Computed tomography, abdomen · axial view · 39-year-old female patient
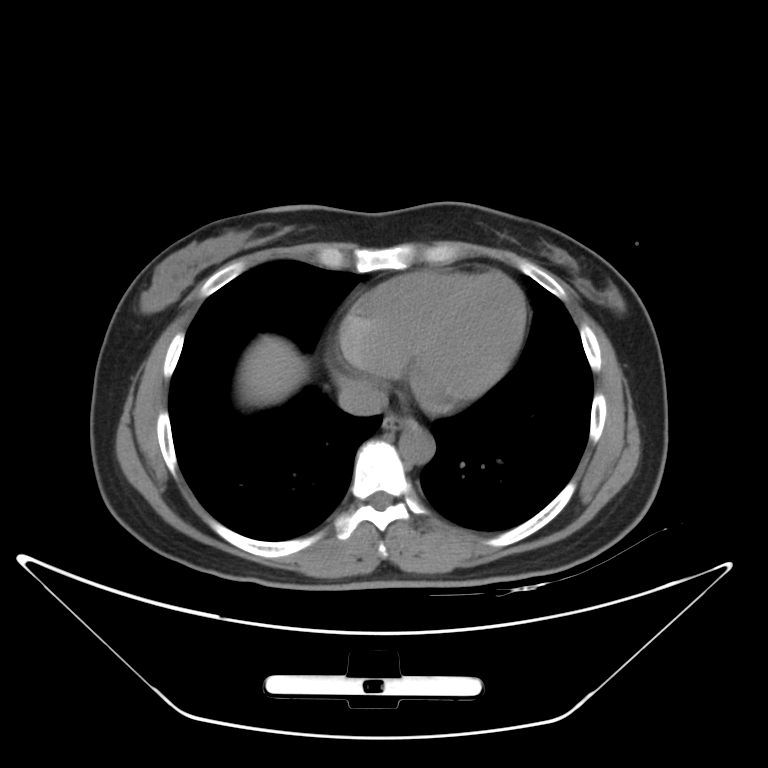 <organs><organ name="liver" x1="238" y1="336" x2="306" y2="404"/><organ name="esophagus" x1="383" y1="414" x2="415" y2="430"/><organ name="inferior vena cava" x1="338" y1="379" x2="387" y2="415"/><organ name="aorta" x1="399" y1="424" x2="434" y2="464"/></organs>